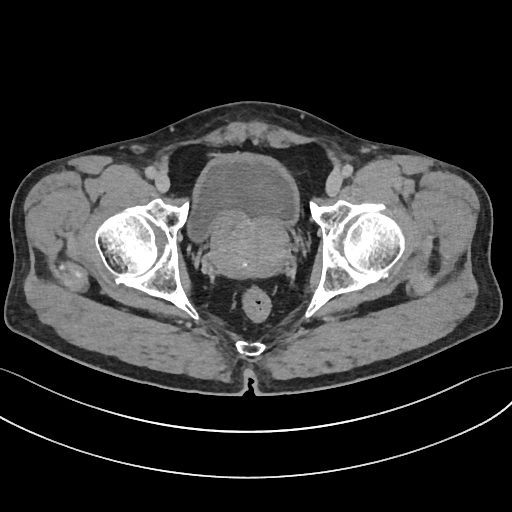

CT, abdomen/pelvis · axial view · W/L 400/40 HU · 512x512 px
<organs><organ name="bladder" x1="188" y1="154" x2="298" y2="240"/><organ name="prostate/uterus" x1="210" y1="212" x2="290" y2="277"/></organs>